Abdominal CT; axial plane, index 13; 768x768 px; 28-year-old female patient
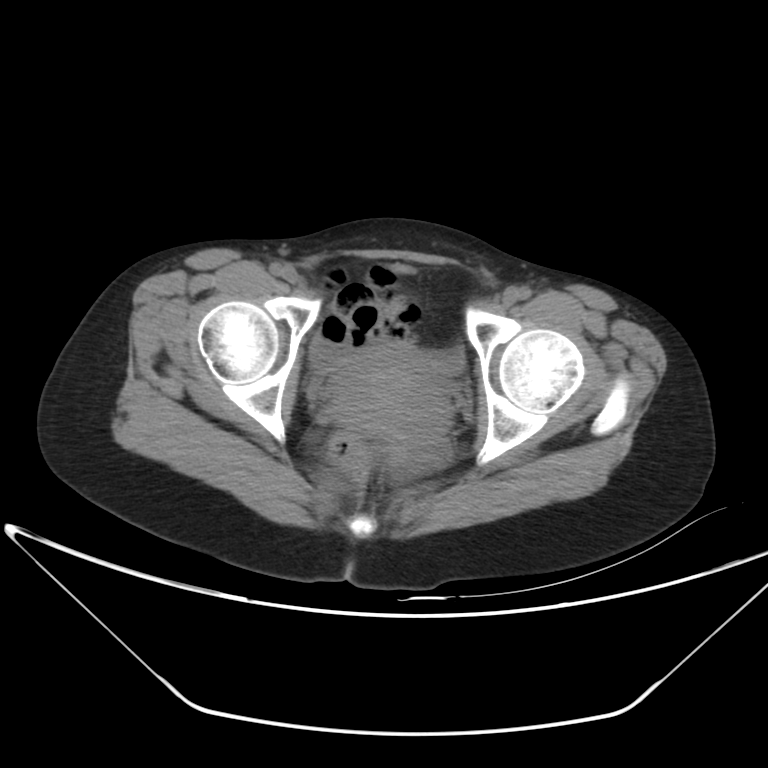

{"organs":{"bladder":[310,342,465,378],"prostate/uterus":[336,357,446,452]}}